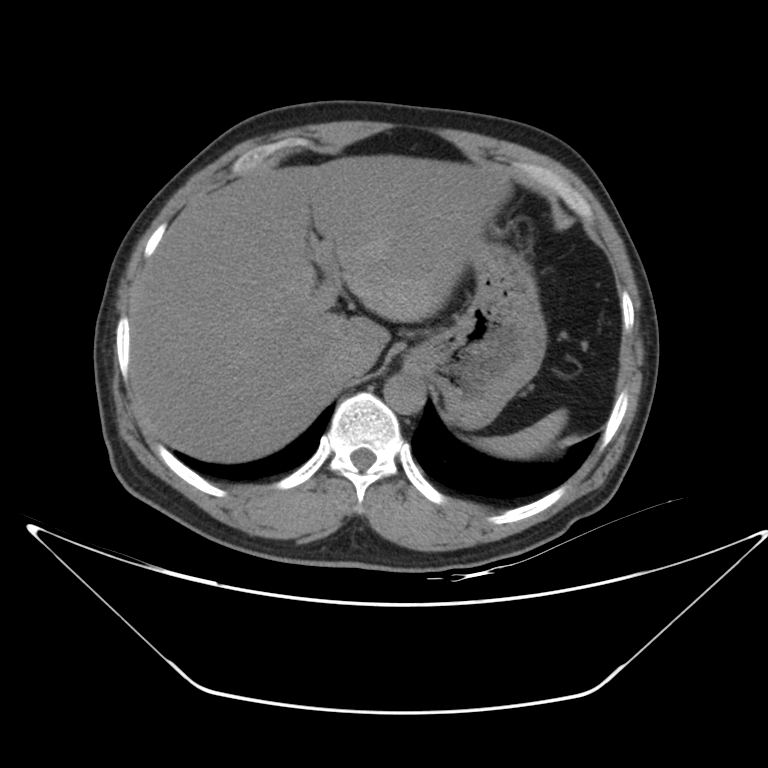 Computed tomography, abdomen — axial view — soft-tissue window (W 400 / L 40) — 45-year-old male patient
Boxes are (x1, y1, x2, y2) in pixels. Labeled organs on this slice: spleen at (473, 409, 567, 458), liver at (129, 154, 508, 462), stomach at (405, 243, 546, 428), aorta at (383, 371, 426, 414), inferior vena cava at (331, 345, 370, 377).